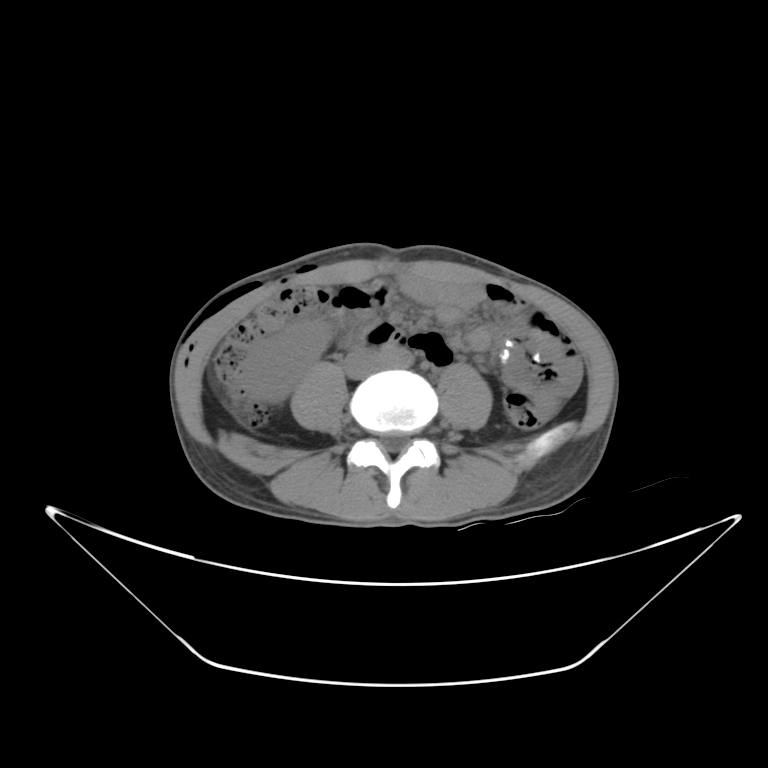 Abdominal CT — axial view — 15 organs annotated in this scan (a whole-scan count: organs this slice does not pass through have no box)
Boxes: x1:y1:x2:y2 in pixels. Labeled organs on this slice: right kidney at 242:320:332:403, inferior vena cava at 344:351:376:379.